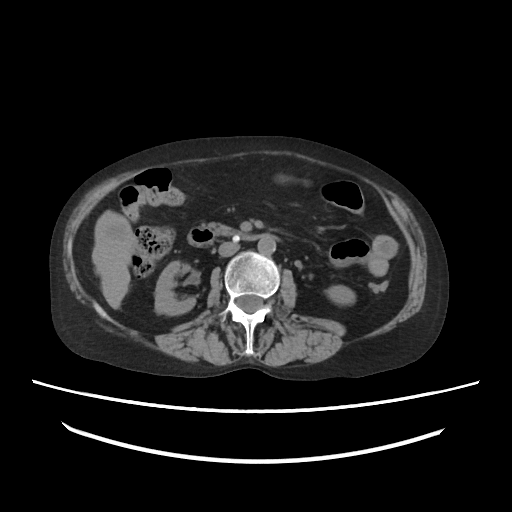
Computed tomography, abdomen · axial plane, index 52 · Aquilion ONE scanner
Boxes: x1:y1:x2:y2 in pixels.
right kidney: 155:261:195:315
left kidney: 327:285:355:304
liver: 91:210:137:309
aorta: 257:237:275:254
inferior vena cava: 218:242:239:256
pancreas: 208:223:237:236
duodenum: 187:226:277:246